CT abdomen — axial view — soft-tissue window — 512x512 px — 15 organs annotated in this scan (a whole-scan count: organs this slice does not pass through have no box)
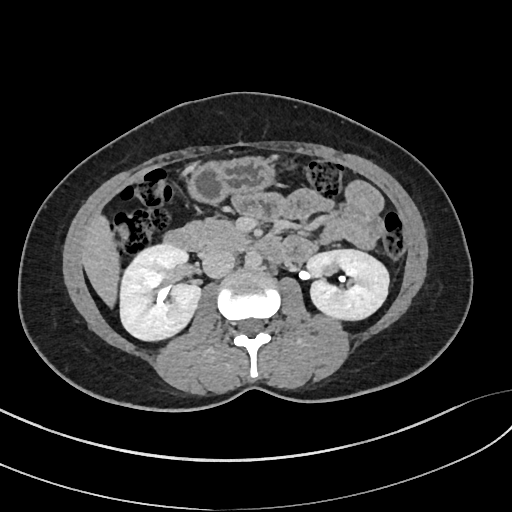
Box edges are left/top/right/bottom in pixels.
right kidney: left=120, top=243, right=201, bottom=342
left kidney: left=307, top=250, right=389, bottom=321
liver: left=82, top=213, right=119, bottom=306
stomach: left=188, top=156, right=275, bottom=204
aorta: left=245, top=251, right=262, bottom=270
inferior vena cava: left=201, top=249, right=235, bottom=278
pancreas: left=184, top=219, right=247, bottom=250
duodenum: left=161, top=229, right=284, bottom=263